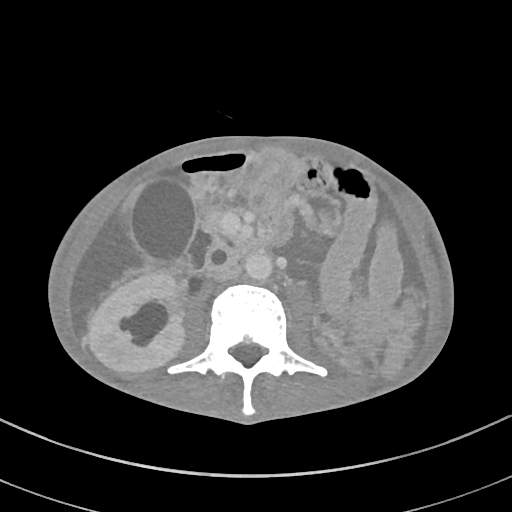
CT, abdomen/pelvis. axial view. soft-tissue window. 512x512 px. scan has 15 labeled organs (that count is for the whole scan; organs this slice misses have no box)
Boxes: x1:y1:x2:y2 in pixels. The annotated organs in this slice are: right kidney at 89:272:183:371, left kidney at 137:356:174:371, gall bladder at 130:176:197:263, aorta at 244:251:272:280, inferior vena cava at 209:261:240:281, pancreas at 201:208:247:250, duodenum at 173:238:272:277.